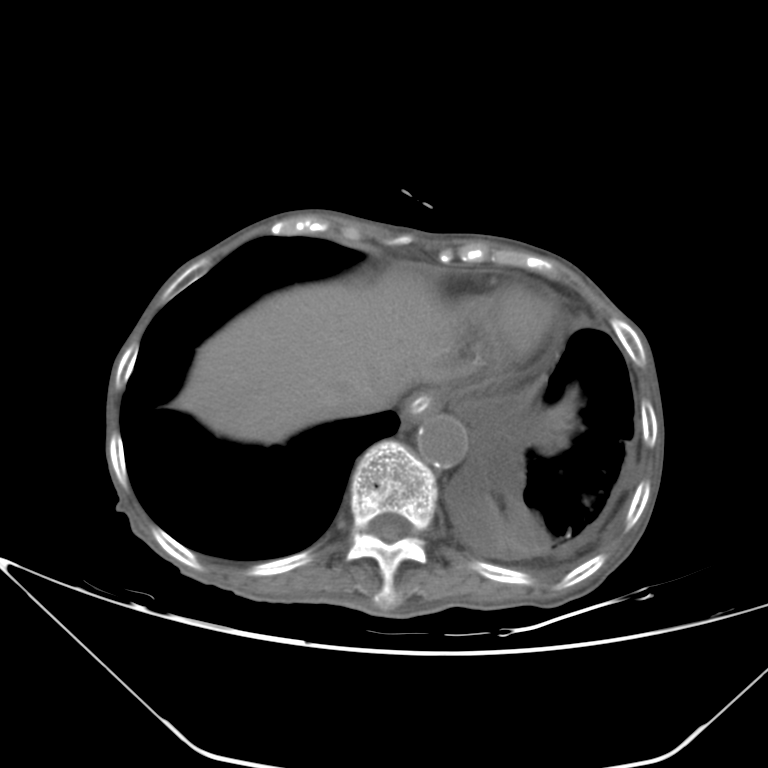

Abdominal CT; axial view; soft-tissue window; 768x768 px; 80-year-old female patient; scan has 14 labeled organs (that count is for the whole scan; organs this slice misses have no box)
<organs><organ name="esophagus" x1="402" y1="393" x2="438" y2="424"/><organ name="liver" x1="174" y1="272" x2="455" y2="442"/><organ name="aorta" x1="417" y1="414" x2="467" y2="467"/><organ name="inferior vena cava" x1="332" y1="390" x2="394" y2="416"/></organs>